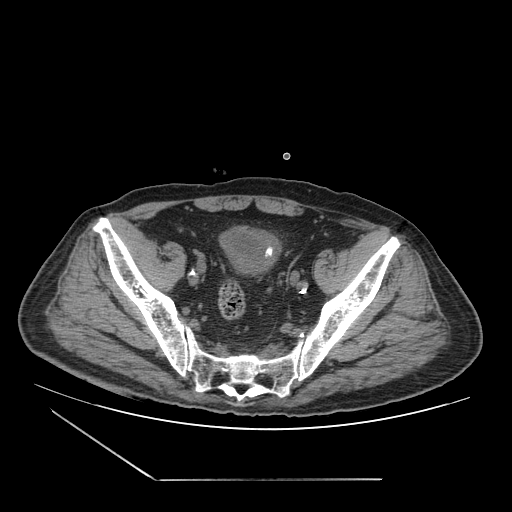
CT abdomen; axial view; scan has 15 labeled organs (counted over the whole 3D scan, not this slice; an organ is boxed only where this slice passes through it)
{"organs":{"bladder":[219,226,280,273]}}